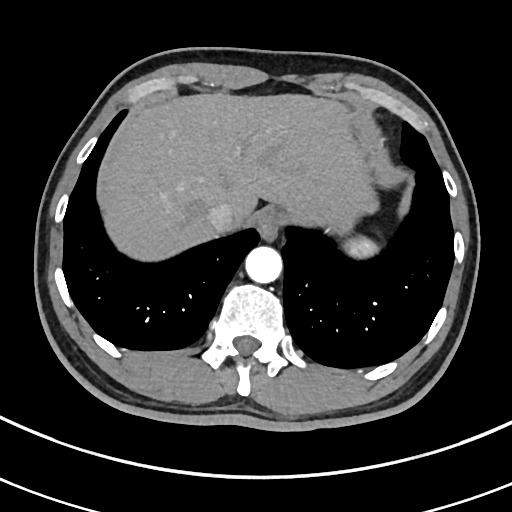 Abdominal CT — Axial slice 178/302 — 15 organs annotated in this scan (that count is for the whole scan; organs this slice misses have no box)
Boxes: x1 y1 x2 y2 (pixel coords, space-separated).
Organ bounding boxes:
- spleen: 346 239 375 257
- esophagus: 256 210 282 241
- liver: 102 94 375 259
- aorta: 245 246 282 283
- inferior vena cava: 207 202 235 231